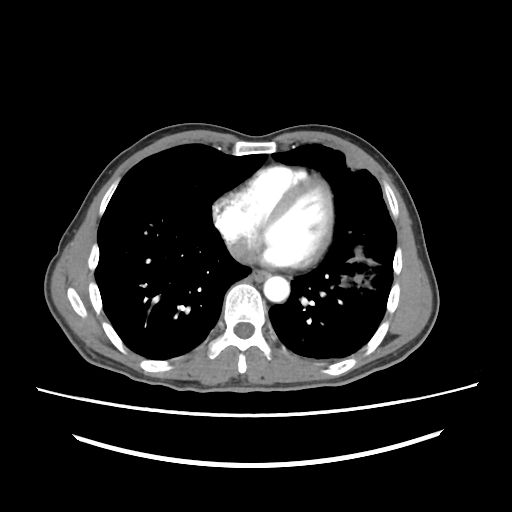

CT of the abdomen reaching into the lower chest, slice just above the liver and spleen. axial view. soft-tissue window. 512x512 px
The heart and lungs are never labeled in this dataset, so they have no box on this slice.
{"organs":{"esophagus":[251,269,269,279],"aorta":[264,277,290,302],"inferior vena cava":[230,244,257,264]}}